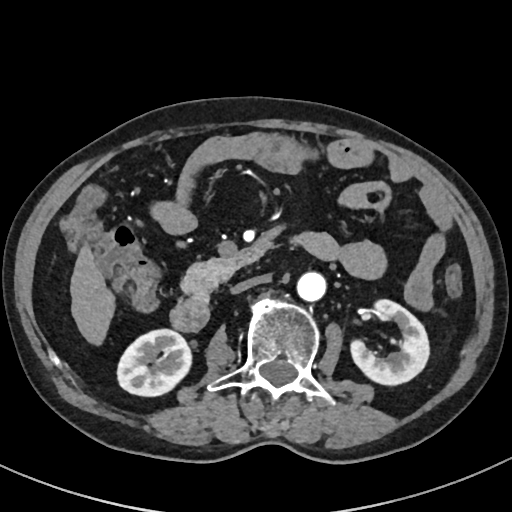
Computed tomography, abdomen — axial view — 512x512 px — SOMATOM Force scanner
Box edges are left/top/right/bottom in pixels.
Organ bounding boxes:
- inferior vena cava: left=231, top=275, right=269, bottom=293
- right kidney: left=117, top=329, right=191, bottom=396
- duodenum: left=170, top=233, right=338, bottom=331
- pancreas: left=181, top=257, right=236, bottom=297
- liver: left=70, top=245, right=115, bottom=345
- aorta: left=297, top=271, right=326, bottom=301
- left kidney: left=350, top=299, right=429, bottom=385